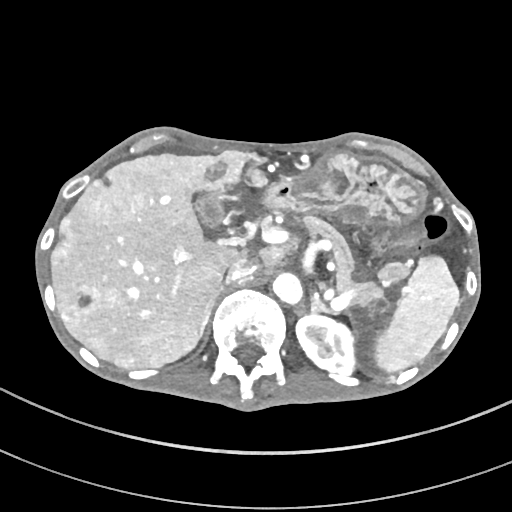
Abdominal CT; axial view; 512x512 px; SOMATOM Force scanner
Organ boxes in pixel coordinates; each row gives the top-left (x1, y1) and bottom-right (x2, y2) corners.
| organ | x1 | y1 | x2 | y2 |
|---|---|---|---|---|
| gall bladder | 200 | 194 | 223 | 226 |
| right adrenal gland | 199 | 288 | 221 | 334 |
| inferior vena cava | 226 | 258 | 256 | 282 |
| spleen | 374 | 256 | 460 | 374 |
| stomach | 259 | 150 | 426 | 224 |
| pancreas | 304 | 216 | 381 | 304 |
| left kidney | 296 | 312 | 354 | 377 |
| aorta | 273 | 272 | 303 | 305 |
| liver | 50 | 149 | 302 | 369 |
| left adrenal gland | 311 | 299 | 335 | 315 |